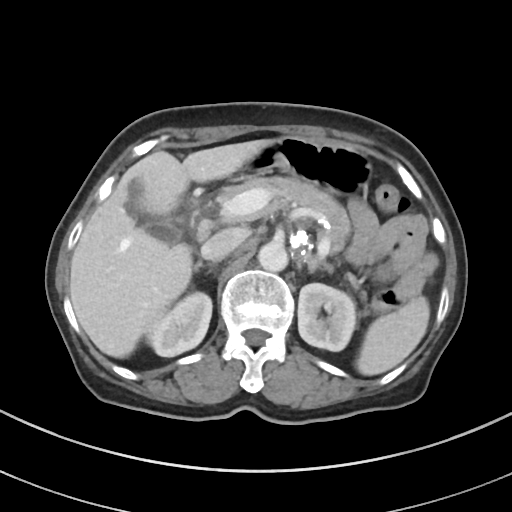
CT, abdomen/pelvis · axial plane, index 62 · 512x512 px · acquired on SOMATOM Force
<organs><organ name="spleen" x1="356" y1="296" x2="429" y2="375"/><organ name="right kidney" x1="147" y1="292" x2="212" y2="356"/><organ name="left kidney" x1="298" y1="283" x2="356" y2="351"/><organ name="gall bladder" x1="126" y1="181" x2="180" y2="243"/><organ name="liver" x1="69" y1="140" x2="272" y2="357"/><organ name="stomach" x1="246" y1="137" x2="371" y2="195"/><organ name="aorta" x1="258" y1="241" x2="287" y2="271"/><organ name="inferior vena cava" x1="201" y1="228" x2="246" y2="261"/><organ name="pancreas" x1="219" y1="176" x2="363" y2="296"/><organ name="right adrenal gland" x1="194" y1="262" x2="203" y2="271"/><organ name="left adrenal gland" x1="304" y1="254" x2="332" y2="272"/></organs>